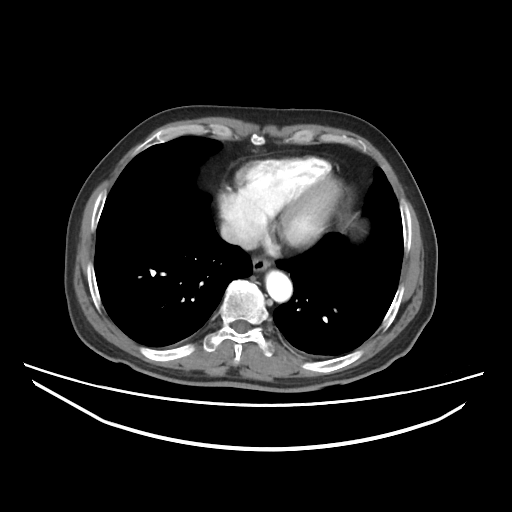
Lower-chest slice from an abdominal CT, just above the liver and spleen. axial view. Aquilion ONE scanner
The heart and lungs are never labeled in this dataset, so they have no box on this slice.
Box edges are left/top/right/bottom in pixels.
Organ bounding boxes:
- esophagus: left=252, top=257, right=271, bottom=272
- aorta: left=265, top=270, right=292, bottom=301
- inferior vena cava: left=220, top=223, right=257, bottom=249